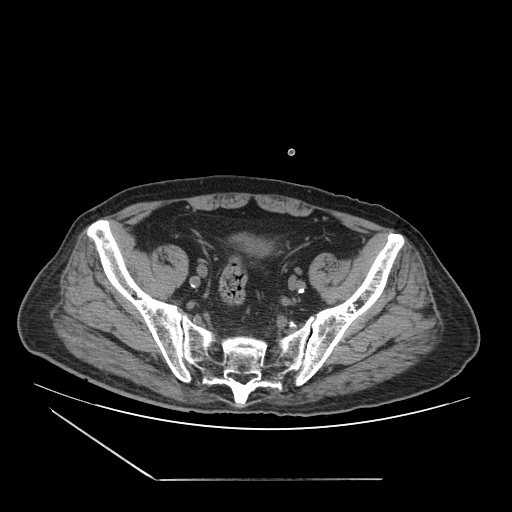

CT abdomen — axial view — 512x512 px
Each box given as x1,y1,x2,y2.
Organ bounding boxes:
- bladder: x1=234, y1=236, x2=270, y2=255